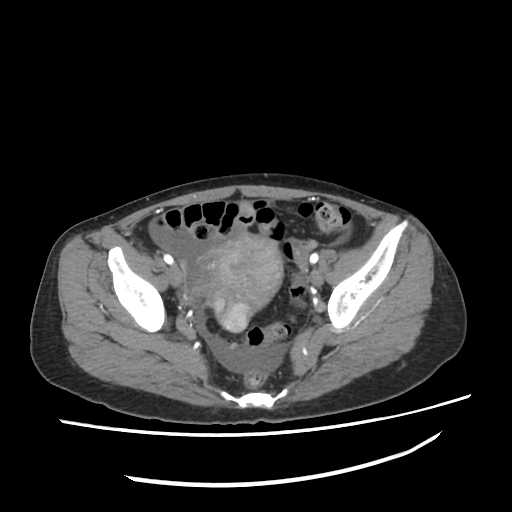

CT, abdomen/pelvis · axial view
{"organs":{"prostate/uterus":[205,234,282,333]}}